CT, abdomen/pelvis. axial view. soft-tissue window (W 400 / L 40)
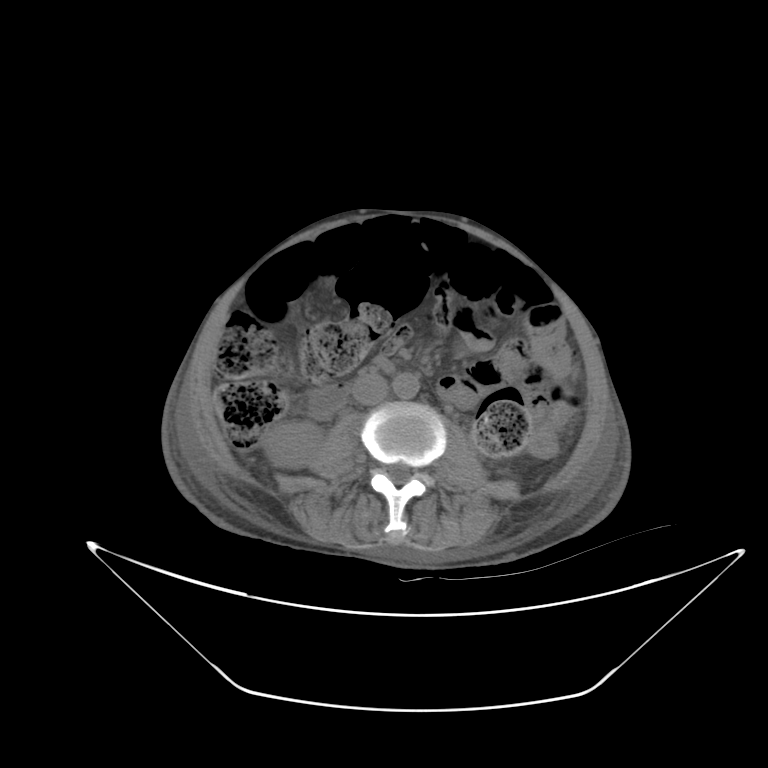
One row per box, in pixels: columns x1 and y1 give the top-left corner, x2 and y2 the bottom-right.
| organ | x1 | y1 | x2 | y2 |
|---|---|---|---|---|
| right kidney | 263 | 421 | 323 | 468 |
| aorta | 392 | 372 | 419 | 399 |
| inferior vena cava | 352 | 373 | 388 | 405 |